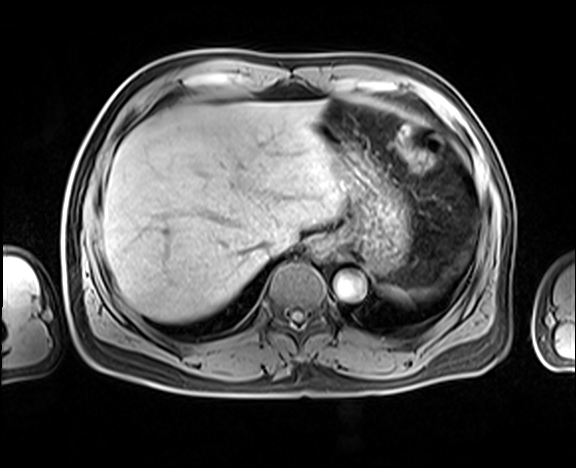 Abdominal MRI. axial view. 1st–99th percentile window. Prisma scanner
<organs><organ name="spleen" x1="384" y1="250" x2="467" y2="301"/><organ name="esophagus" x1="304" y1="235" x2="332" y2="262"/><organ name="liver" x1="102" y1="101" x2="347" y2="321"/><organ name="stomach" x1="317" y1="105" x2="410" y2="273"/><organ name="aorta" x1="335" y1="273" x2="366" y2="299"/><organ name="inferior vena cava" x1="259" y1="237" x2="275" y2="253"/></organs>